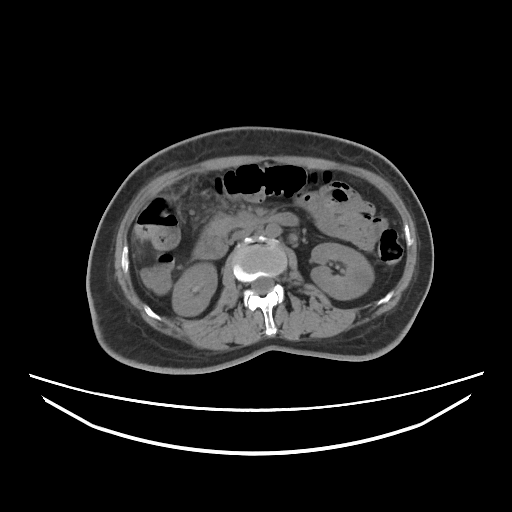
CT abdomen; Axial slice 61/97; 512x512 px; 49-year-old female patient; acquired on Aquilion ONE
<organs><organ name="right kidney" x1="172" y1="262" x2="216" y2="315"/><organ name="left kidney" x1="310" y1="243" x2="373" y2="299"/><organ name="aorta" x1="265" y1="224" x2="281" y2="237"/><organ name="inferior vena cava" x1="229" y1="227" x2="253" y2="240"/><organ name="pancreas" x1="207" y1="217" x2="250" y2="234"/><organ name="duodenum" x1="193" y1="212" x2="298" y2="259"/></organs>